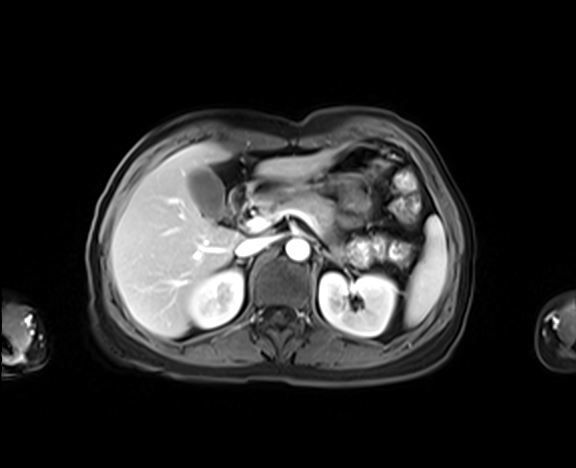

Abdominal MR — axial view — percentile-normalized
<organs><organ name="gall bladder" x1="187" y1="168" x2="224" y2="218"/><organ name="right kidney" x1="187" y1="269" x2="243" y2="327"/><organ name="duodenum" x1="230" y1="184" x2="258" y2="214"/><organ name="liver" x1="111" y1="142" x2="337" y2="337"/><organ name="inferior vena cava" x1="234" y1="237" x2="271" y2="257"/><organ name="spleen" x1="405" y1="215" x2="447" y2="325"/><organ name="stomach" x1="254" y1="143" x2="388" y2="199"/><organ name="left kidney" x1="319" y1="273" x2="397" y2="336"/><organ name="pancreas" x1="258" y1="195" x2="334" y2="236"/><organ name="aorta" x1="285" y1="239" x2="310" y2="261"/><organ name="left adrenal gland" x1="322" y1="249" x2="340" y2="263"/></organs>